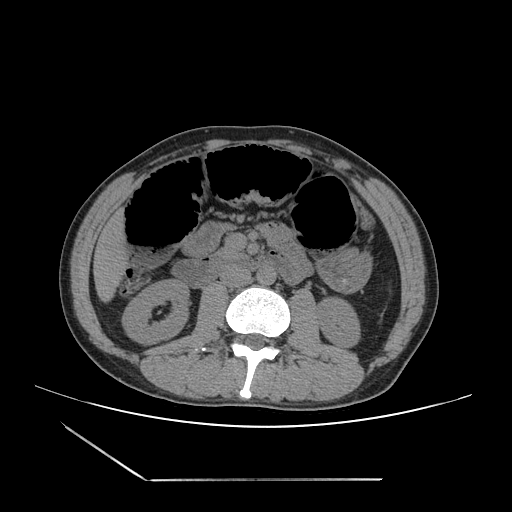

CT abdomen · axial view
Coordinates as <box>x1,y1,x2,y2</box> in pixels.
Organ bounding boxes:
- right kidney: <box>123,279,190,342</box>
- left kidney: <box>318,300,358,346</box>
- liver: <box>93,212,124,299</box>
- stomach: <box>317,250,370,290</box>
- aorta: <box>256,265,276,285</box>
- inferior vena cava: <box>220,267,251,287</box>
- pancreas: <box>227,255,233,256</box>
- duodenum: <box>173,249,303,287</box>